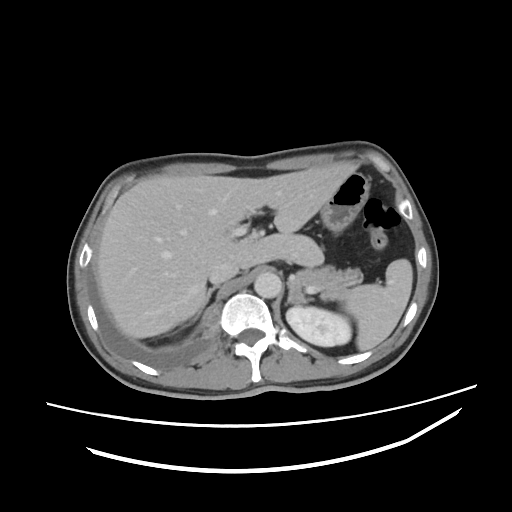

CT, abdomen/pelvis · axial view · W/L 400/40 HU · 49-year-old male patient
{"organs":{"spleen":[343,259,412,350],"left kidney":[286,306,351,346],"liver":[97,162,352,338],"stomach":[320,172,369,232],"aorta":[254,272,281,298],"inferior vena cava":[208,261,238,284],"pancreas":[293,265,363,299],"right adrenal gland":[192,286,217,321],"left adrenal gland":[286,282,308,304]}}